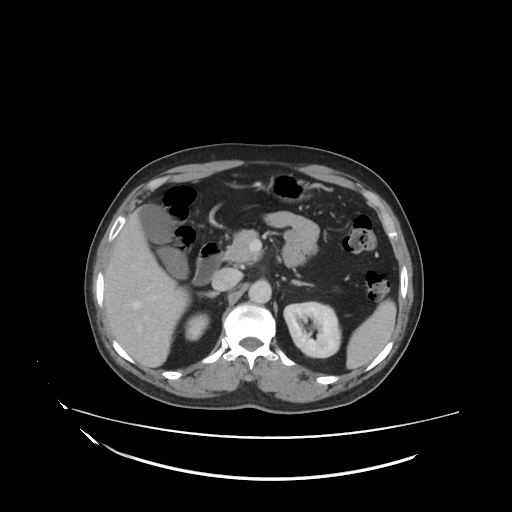
Abdominal CT — axial view — W/L 400/40 HU
Boxes: x1 y1 x2 y2 (pixel coords, space-separated).
Organ bounding boxes:
- left kidney: 284 301 340 357
- inferior vena cava: 212 267 239 291
- duodenum: 193 243 221 286
- right adrenal gland: 196 291 219 297
- left adrenal gland: 293 281 309 286
- right kidney: 185 314 208 340
- liver: 104 205 189 367
- stomach: 268 175 309 202
- spleen: 345 300 397 369
- gall bladder: 139 205 187 277
- aorta: 249 282 271 304
- pancreas: 223 229 265 265